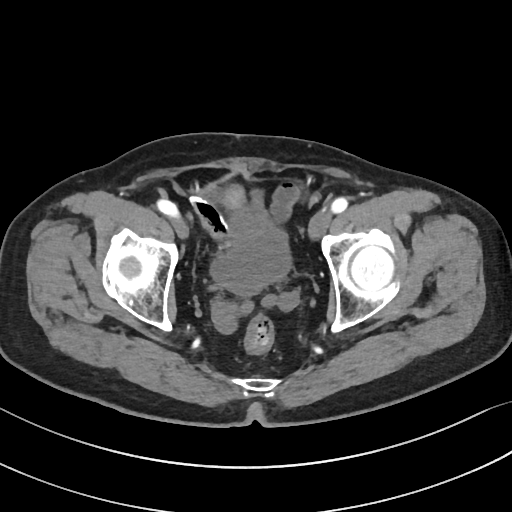

Abdominal CT — axial view — soft-tissue window (W 400 / L 40)
{"organs":{"bladder":[210,208,291,293]}}